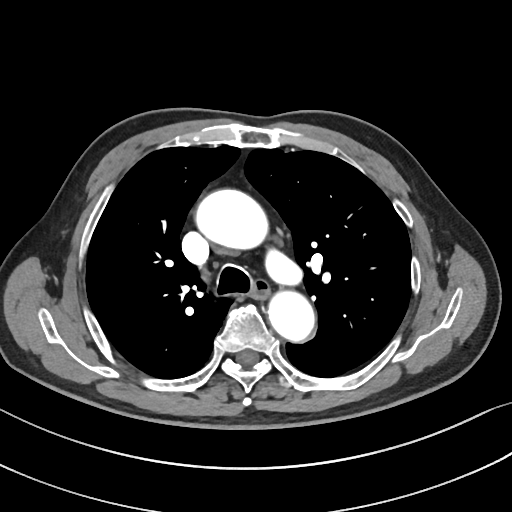 Chest-level CT slice, above the liver and spleen. axial plane, index 256
On a slice this high in the chest, this dataset labels only the esophagus and the aorta, and each is boxed only where it is labeled; the heart, lungs and other chest structures are not labeled.
{"organs":{"esophagus":[250,279,268,297],"aorta":[[198,189,269,249],[267,288,313,340]]}}